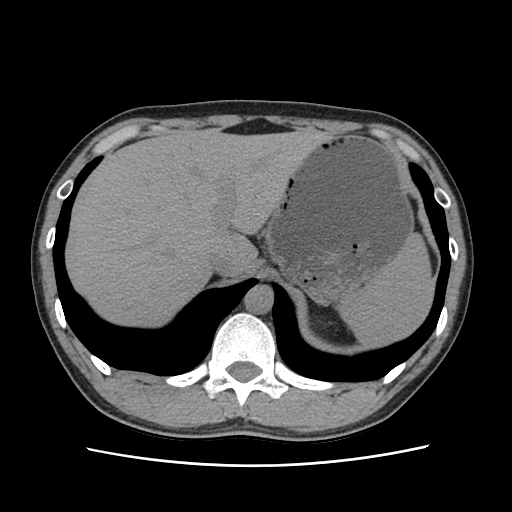
CT, abdomen/pelvis · axial plane, index 142 · 512x512 px
One row per box, in pixels: columns x1 and y1 give the top-left corner, x2 and y2 the bottom-right.
| organ | x1 | y1 | x2 | y2 |
|---|---|---|---|---|
| spleen | 337 | 233 | 434 | 347 |
| liver | 65 | 132 | 332 | 326 |
| stomach | 264 | 136 | 413 | 304 |
| aorta | 244 | 285 | 273 | 314 |
| inferior vena cava | 206 | 249 | 243 | 276 |